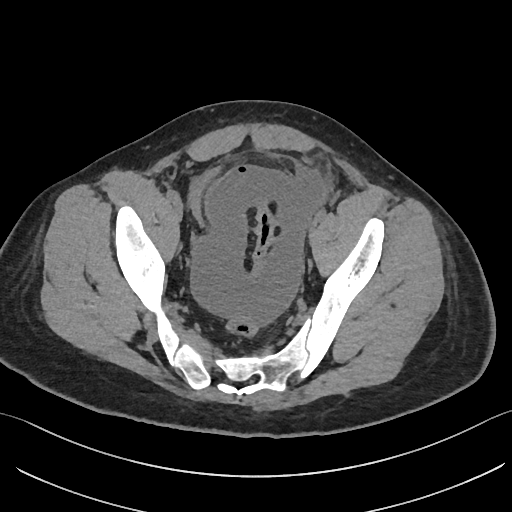

Abdominal CT. Axial slice 47/234. scan has 15 labeled organs (counted over the whole 3D scan, not this slice; an organ is boxed only where this slice passes through it)
Each box given as x1,y1,x2,y2.
Organ bounding boxes:
- bladder: x1=188, y1=167, x2=222, y2=226